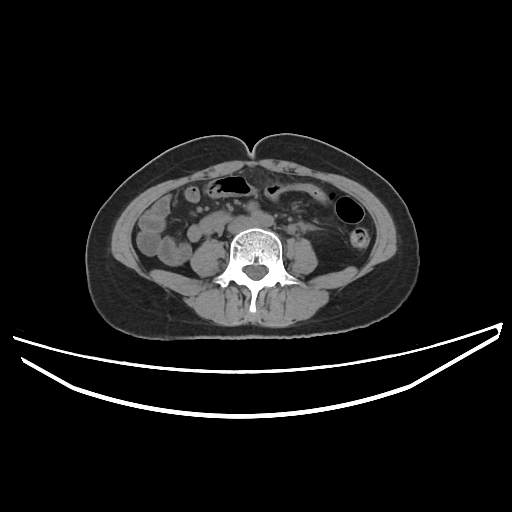
Computed tomography, abdomen — axial view — soft-tissue window (W 400 / L 40) — 512x512 px — 50-year-old female patient
Boxes are (x1, y1, x2, y2) in pixels. 2 labeled organs on this slice — aorta at (250, 210, 273, 226); inferior vena cava at (227, 216, 253, 233).